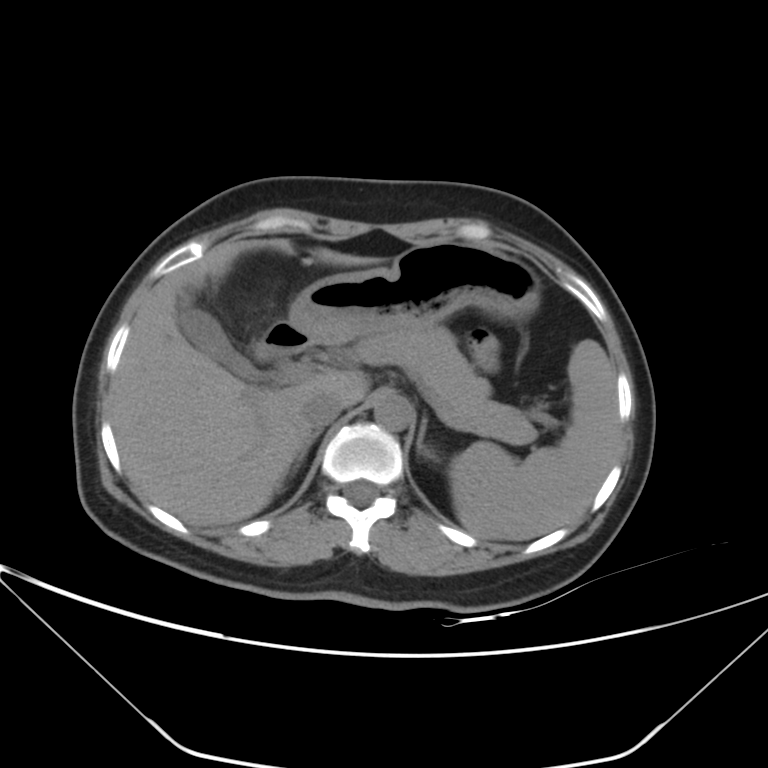
CT abdomen; axial view; soft-tissue window (W 400 / L 40); Brilliance16 scanner
Bounding boxes in pixels, one row per box: x1, y1 is the top-left corner and x2, y2 the bottom-right.
| organ | x1 | y1 | x2 | y2 |
|---|---|---|---|---|
| spleen | 449 | 340 | 619 | 540 |
| gall bladder | 175 | 279 | 274 | 382 |
| liver | 112 | 239 | 374 | 526 |
| stomach | 286 | 242 | 540 | 344 |
| aorta | 373 | 395 | 411 | 430 |
| inferior vena cava | 302 | 392 | 344 | 429 |
| pancreas | 342 | 326 | 536 | 443 |
| right adrenal gland | 294 | 430 | 320 | 465 |
| left adrenal gland | 415 | 415 | 432 | 457 |
| duodenum | 258 | 323 | 311 | 356 |